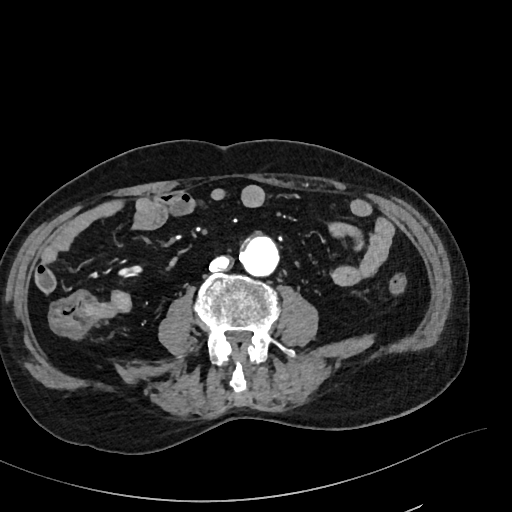

CT, abdomen/pelvis. Axial slice 112/235. soft-tissue window
Coordinates as <box>x1,y1,x2,y2</box> in pixels.
Organ bounding boxes:
- aorta: <box>239,236,279,276</box>
- inferior vena cava: <box>209,256,232,272</box>